CT, abdomen/pelvis; axial view; soft-tissue window (W 400 / L 40); 15 organs annotated in this scan (that count is for the whole scan; organs this slice misses have no box)
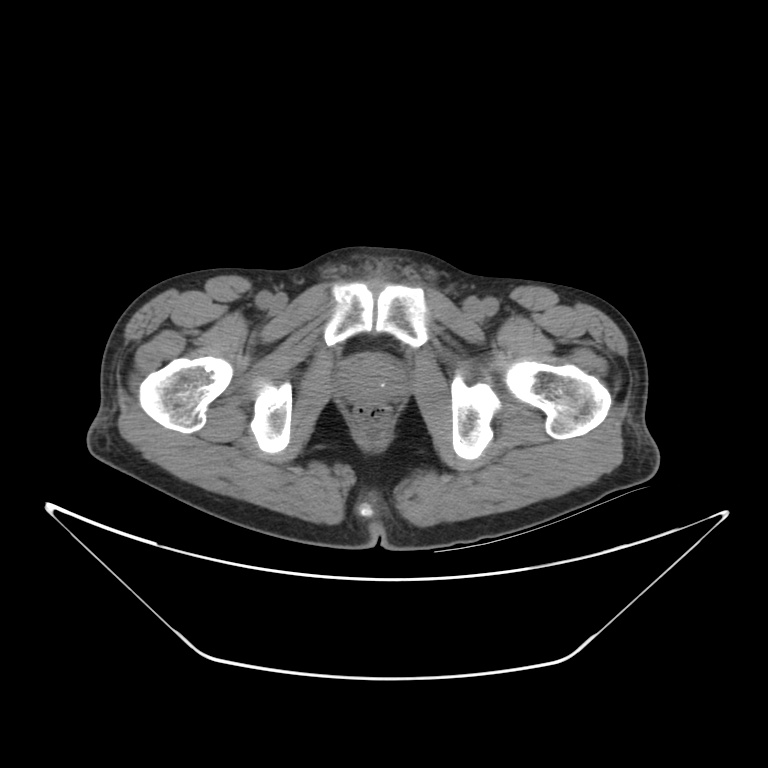 {"organs":{"prostate/uterus":[344,361,399,401]}}